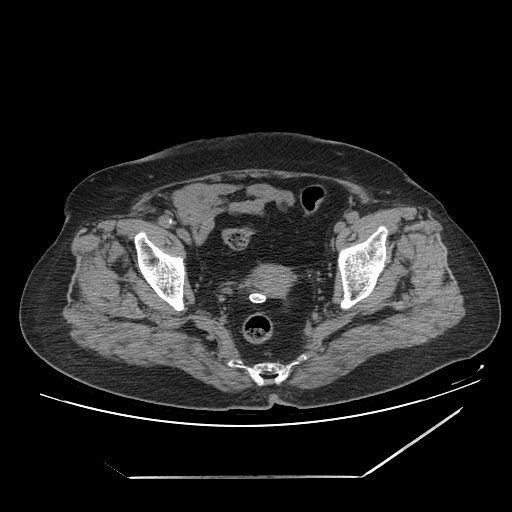

Abdominal CT. Axial slice 36/163. 512x512 px. SOMATOM Force scanner
One row per box, in pixels: columns x1 and y1 give the top-left corner, x2 and y2 the bottom-right.
| organ | x1 | y1 | x2 | y2 |
|---|---|---|---|---|
| prostate/uterus | 254 | 266 | 295 | 297 |